Computed tomography, abdomen — axial view — acquired on Aquilion ONE
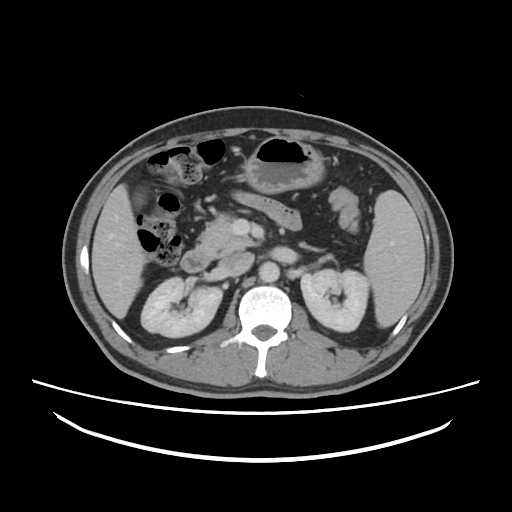

{"organs":{"spleen":[364,190,424,327],"right kidney":[141,277,222,337],"left kidney":[300,269,368,331],"liver":[91,184,145,318],"stomach":[243,136,324,193],"aorta":[259,262,279,282],"inferior vena cava":[219,252,254,276],"pancreas":[197,214,255,256],"duodenum":[180,248,212,272]}}